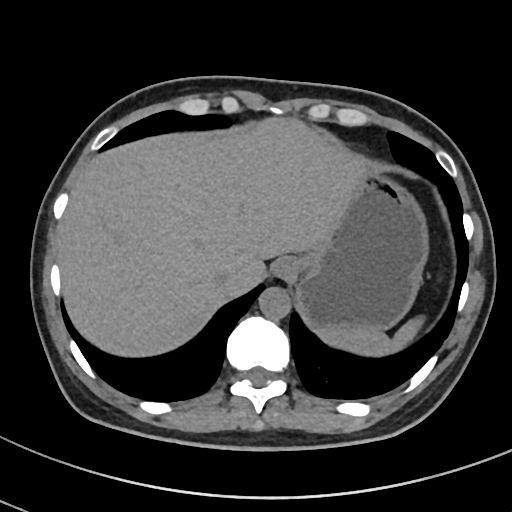 CT abdomen — axial view — soft-tissue window
Each box given as x1,y1,x2,y2. The annotated organs in this slice are: spleen at x1=318, y1=319, x2=421, y2=356, esophagus at x1=271, y1=256, x2=300, y2=279, liver at x1=55, y1=120, x2=365, y2=353, stomach at x1=297, y1=169, x2=426, y2=330, aorta at x1=259, y1=287, x2=291, y2=320, inferior vena cava at x1=213, y1=267, x2=231, y2=289.